MRI, abdomen — axial view — 13 organs annotated in this scan (a whole-scan count: organs this slice does not pass through have no box)
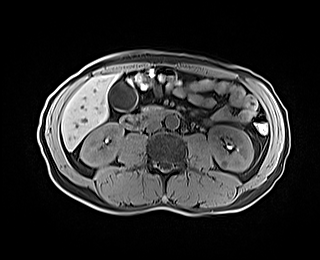 One row per box, in pixels: columns x1 and y1 give the top-left corner, x2 and y2 the bottom-right.
| organ | x1 | y1 | x2 | y2 |
|---|---|---|---|---|
| gall bladder | 109 | 82 | 136 | 110 |
| liver | 61 | 75 | 116 | 150 |
| left kidney | 208 | 125 | 253 | 171 |
| duodenum | 120 | 109 | 171 | 130 |
| pancreas | 142 | 105 | 161 | 112 |
| aorta | 165 | 114 | 179 | 129 |
| inferior vena cava | 146 | 120 | 161 | 131 |
| right kidney | 80 | 123 | 123 | 166 |